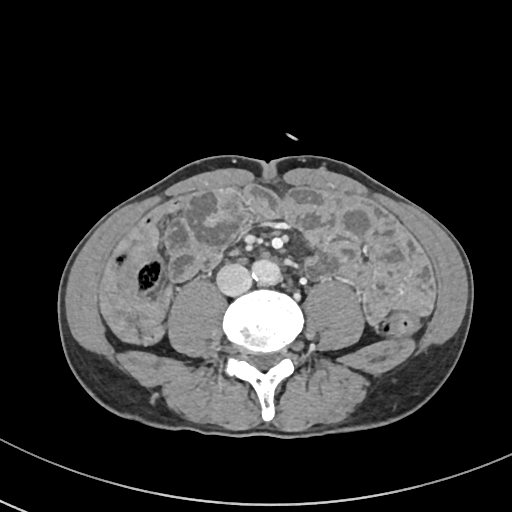

Abdominal CT; axial view
{"organs":{"aorta":[252,259,281,285],"inferior vena cava":[216,263,252,296]}}